CT abdomen. axial view. soft-tissue window (W 400 / L 40). 512x512 px
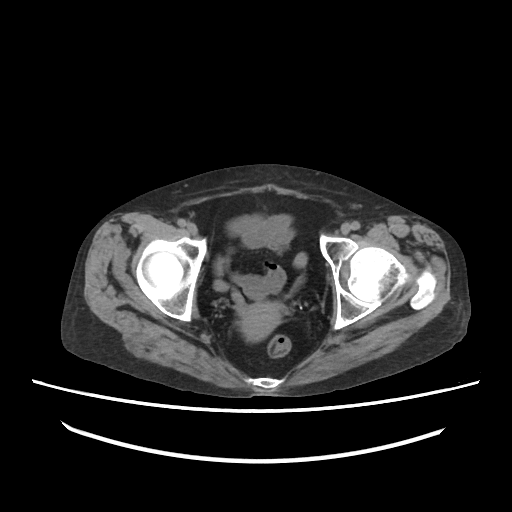
One row per box, in pixels: columns x1 and y1 give the top-left corner, x2 and y2 the bottom-right.
| organ | x1 | y1 | x2 | y2 |
|---|---|---|---|---|
| prostate/uterus | 240 | 302 | 281 | 341 |